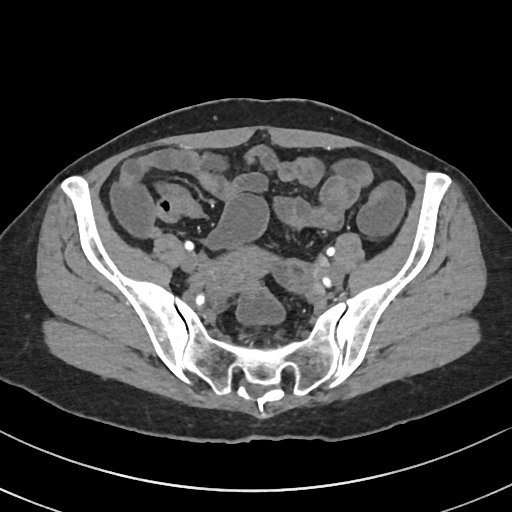

Computed tomography, abdomen; Axial slice 88/242
{"organs":{"prostate/uterus":[205,250,306,293]}}